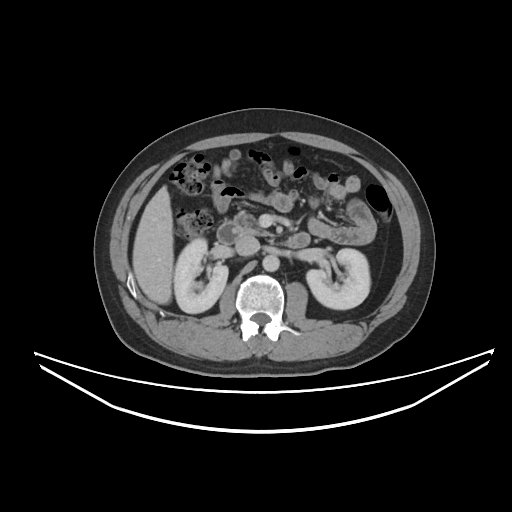
Computed tomography, abdomen — axial view — acquired on Aquilion ONE
Each box given as x1,y1,x2,y2.
Organ bounding boxes:
- right kidney: x1=174, y1=238, x2=228, y2=313
- left kidney: x1=306, y1=248, x2=370, y2=309
- liver: x1=132, y1=185, x2=173, y2=304
- aorta: x1=262, y1=255, x2=279, y2=271
- inferior vena cava: x1=235, y1=235, x2=259, y2=255
- pancreas: x1=237, y1=214, x2=269, y2=235
- duodenum: x1=217, y1=221, x2=309, y2=248